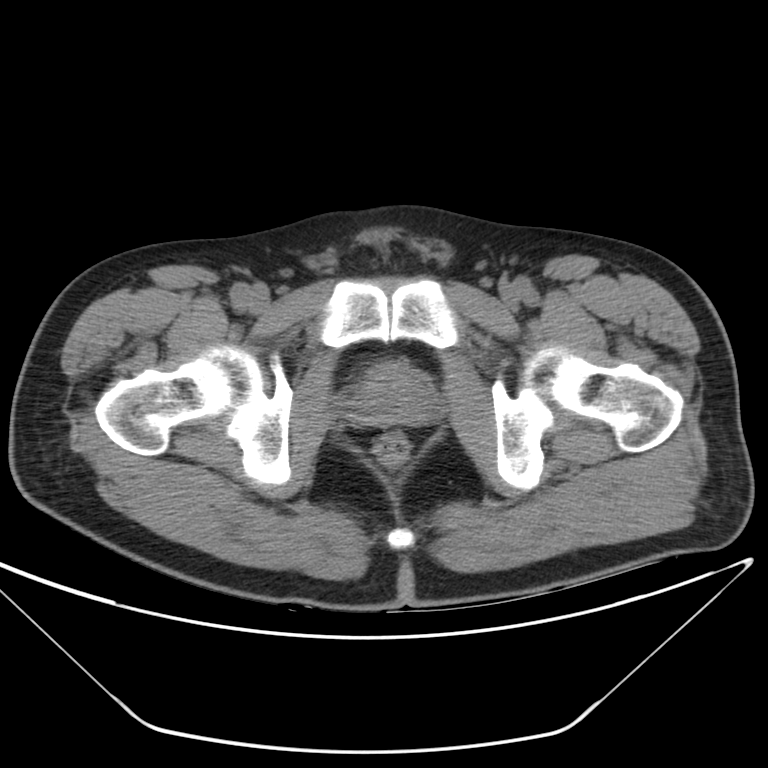
Abdominal CT · Axial slice 16/112 · soft-tissue window · 768x768 px · Brilliance16 scanner
One row per box, in pixels: columns x1 and y1 give the top-left corner, x2 and y2 the bottom-right.
| organ | x1 | y1 | x2 | y2 |
|---|---|---|---|---|
| prostate/uterus | 354 | 364 | 435 | 423 |